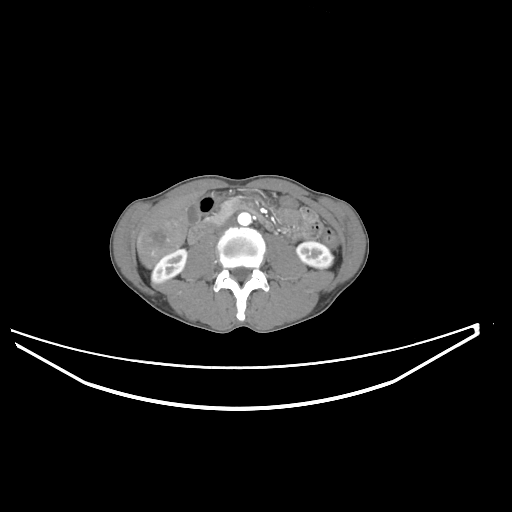

CT, abdomen/pelvis — axial view — W/L 400/40 HU
Boxes: x1:y1:x2:y2 in pixels.
right kidney: 151:249:186:283
left kidney: 296:241:333:268
gall bladder: 187:203:199:225
liver: 136:193:199:267
stomach: 199:195:217:213
aorta: 237:212:251:225
inferior vena cava: 214:219:235:233
pancreas: 209:199:239:222
duodenum: 188:206:271:243